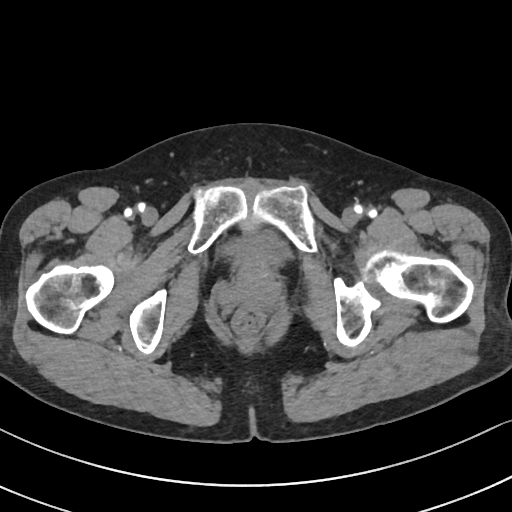

CT, abdomen/pelvis; axial plane, index 21; soft-tissue window (W 400 / L 40)
<organs><organ name="bladder" x1="223" y1="234" x2="287" y2="263"/></organs>